Abdominal CT; Axial slice 40/191; W/L 400/40 HU; 512x512 px; 15 organs annotated in this scan (counted over the whole 3D scan, not this slice; an organ is boxed only where this slice passes through it)
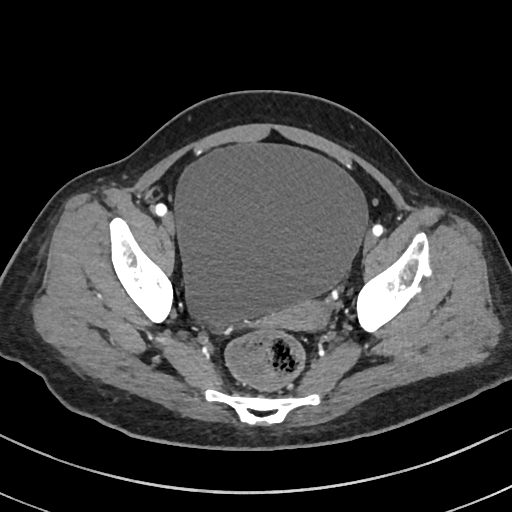 <organs><organ name="bladder" x1="173" y1="142" x2="369" y2="329"/><organ name="prostate/uterus" x1="272" y1="302" x2="326" y2="328"/></organs>